CT of the abdomen extending into the chest, slice through the chest · axial view · soft-tissue window · SOMATOM Force scanner · scan has 15 labeled organs (a whole-scan count: organs this slice does not pass through have no box)
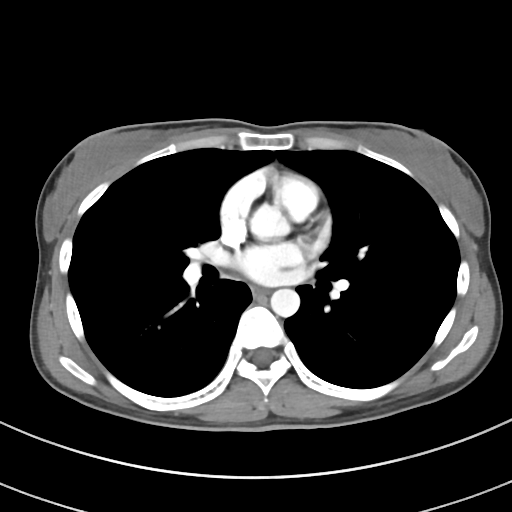 At this level of the chest this dataset labels only the esophagus and the aorta, and each is boxed only where it is labeled; the heart and lungs are never labeled.
<organs><organ name="esophagus" x1="252" y1="287" x2="266" y2="296"/><organ name="aorta" x1="270" y1="288" x2="299" y2="317"/></organs>